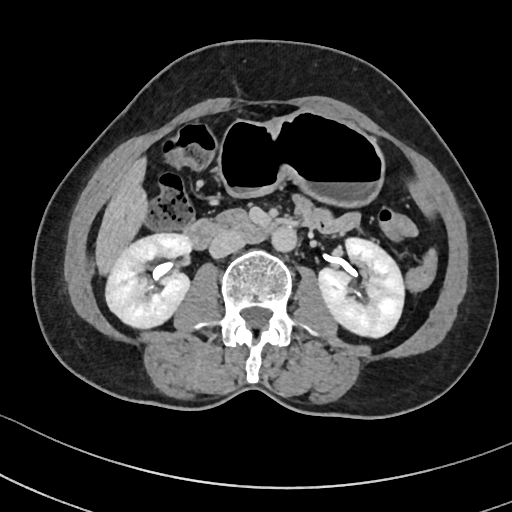
CT, abdomen/pelvis; axial view; soft-tissue window; 15 organs annotated in this scan (counted over the whole 3D scan, not this slice; an organ is boxed only where this slice passes through it)
Boxes are (x1, y1, x2, y2) in pixels. Labeled organs on this slice: liver at (95, 158, 147, 274), inferior vena cava at (209, 230, 246, 257), right kidney at (105, 233, 190, 328), pancreas at (235, 210, 240, 211), left kidney at (318, 238, 404, 337), duodenum at (185, 210, 276, 249), aorta at (271, 226, 296, 251), stomach at (219, 112, 383, 204).